CT, abdomen/pelvis. Axial slice 83/101. soft-tissue window. 768x768 px. 71-year-old male patient. Brilliance16 scanner
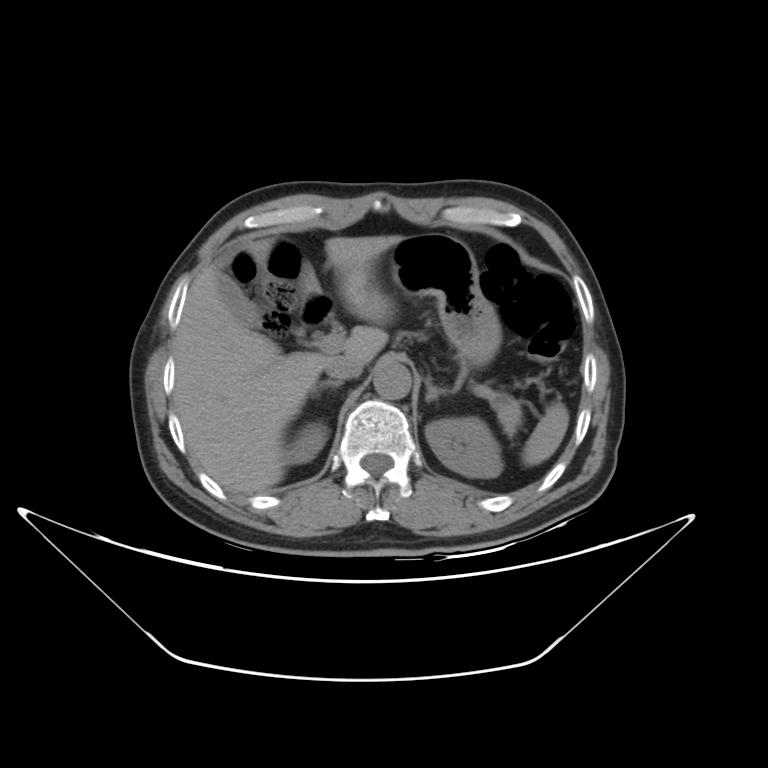 Boxes: x1:y1:x2:y2 in pixels.
spleen: 520:401:568:466
right kidney: 287:428:327:463
left kidney: 426:418:502:477
gall bladder: 213:266:321:341
liver: 172:235:400:495
stomach: 391:233:500:366
aorta: 374:360:412:400
inferior vena cava: 325:355:360:378
pancreas: 494:398:520:434
right adrenal gland: 308:382:343:398
left adrenal gland: 424:376:451:400
duodenum: 296:292:332:327